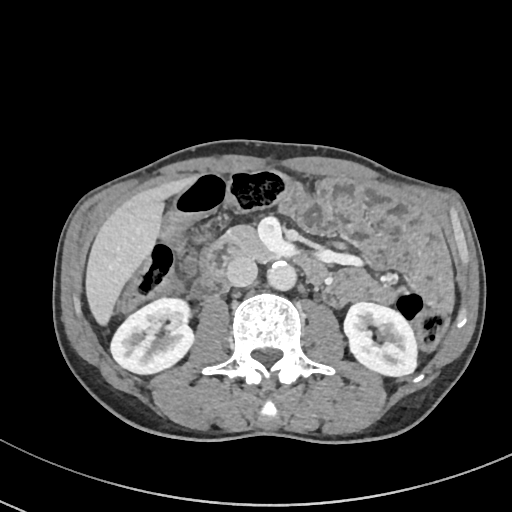

Computed tomography, abdomen · axial plane, index 135 · soft-tissue window · scan has 15 labeled organs (that count is for the whole scan; organs this slice misses have no box)
Boxes: x1:y1:x2:y2 in pixels.
Organ bounding boxes:
- right kidney: 110:299:194:375
- left kidney: 344:302:418:377
- liver: 85:174:200:328
- aorta: 267:260:296:291
- inferior vena cava: 225:255:257:287
- pancreas: 219:224:279:262
- duodenum: 208:241:327:282